Computed tomography, abdomen · axial plane, index 154 · soft-tissue window · 15 organs annotated in this scan (that count is for the whole scan; organs this slice misses have no box)
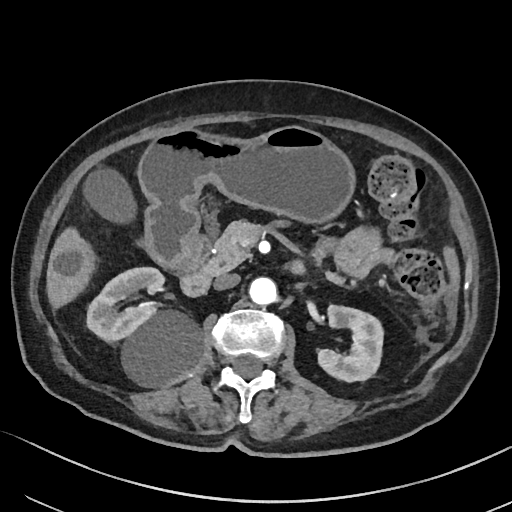
Boxes: x1:y1:x2:y2 in pixels.
right kidney: 87:267:202:386
left kidney: 317:305:382:380
gall bladder: 83:169:133:220
liver: 46:229:93:306
stomach: 138:126:352:268
aorta: 250:277:277:304
inferior vena cava: 213:273:240:290
pancreas: 200:221:344:283
duodenum: 166:234:305:296